MRI, abdomen; coronal view; 1st–99th percentile window; 13 organs annotated in this scan (that count is for the whole scan; organs this slice misses have no box)
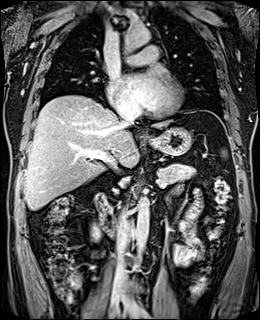
{"organs":{"right kidney":[91,225,100,240],"liver":[24,95,170,209],"stomach":[146,127,192,155],"aorta":[[134,196,149,269],[123,24,150,48]],"inferior vena cava":[[113,204,131,282],[116,103,136,125]],"pancreas":[158,163,195,184],"duodenum":[95,193,115,236]}}